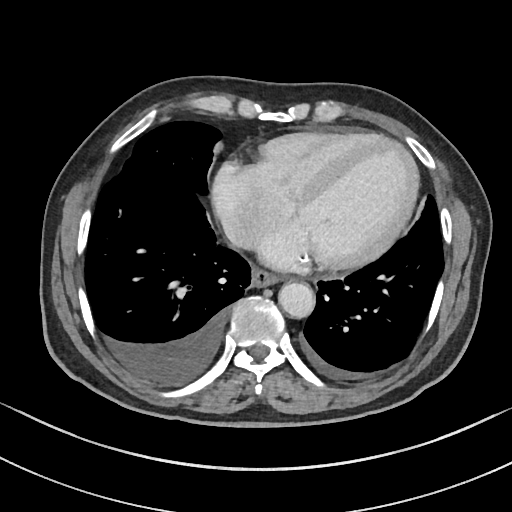
Lower-chest slice from an abdominal CT, just above the liver and spleen — axial view — soft-tissue window (W 400 / L 40)
No part of the heart or lungs is labeled in this dataset, so neither has a box here. Boxes: x1:y1:x2:y2 in pixels. 3 labeled organs on this slice — esophagus at 251:269:277:287; aorta at 278:283:315:319; inferior vena cava at 221:215:258:248.